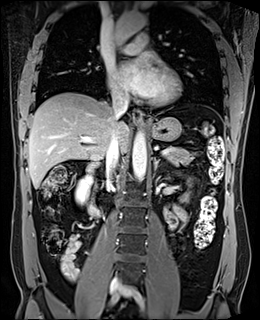
MRI, abdomen · coronal view · scan has 13 labeled organs (that count is for the whole scan; organs this slice misses have no box)
{"organs":{"pancreas":[164,146,196,162],"left kidney":[183,193,188,199],"stomach":[148,117,181,141],"liver":[28,92,129,188],"aorta":[[110,12,146,46],[132,131,146,181]],"duodenum":[87,162,101,218],"left adrenal gland":[154,157,166,173],"inferior vena cava":[106,95,128,179],"esophagus":[132,110,143,124],"right kidney":[75,177,91,204]}}